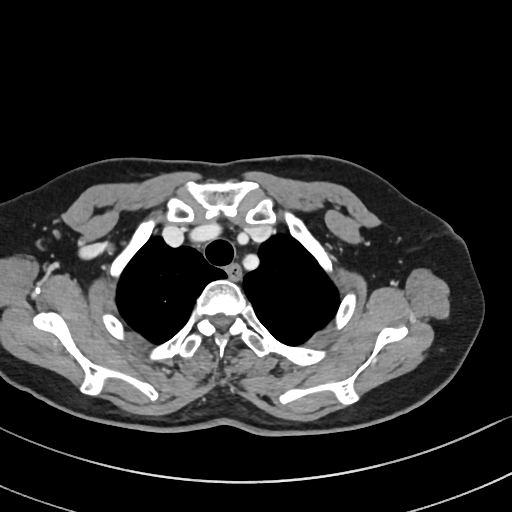
CT of the abdomen extending into the chest, slice through the chest · axial view · 512x512 px · acquired on SOMATOM Force
At this level of the chest this dataset labels only the esophagus and the aorta, and each is boxed only where it is labeled; the heart and lungs are never labeled.
{"organs":{"esophagus":[227,265,240,277]}}